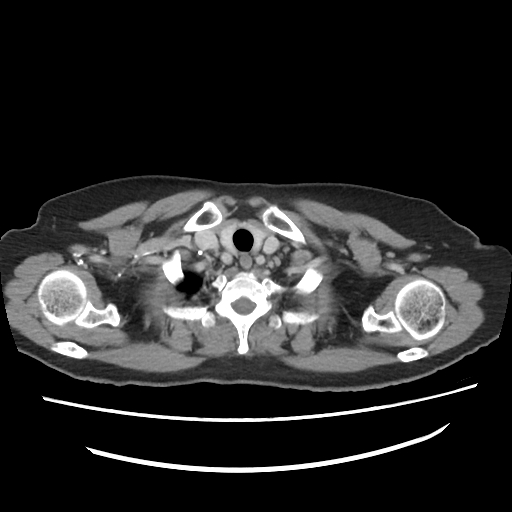

Chest-level CT slice, above the liver and spleen; axial view; soft-tissue window, W/L 400/40
At this level of the chest this dataset labels only the esophagus and the aorta, and each is boxed only where it is labeled; the heart and lungs are never labeled.
Bounding boxes as [x1, y1, x2, y2] in pixel coordinates.
Organ bounding boxes:
- esophagus: [239, 254, 252, 267]